Lower-chest slice from an abdominal CT, just above the liver and spleen — Axial slice 194/291 — W/L 400/40 HU — scan has 15 labeled organs (that count is for the whole scan; organs this slice misses have no box)
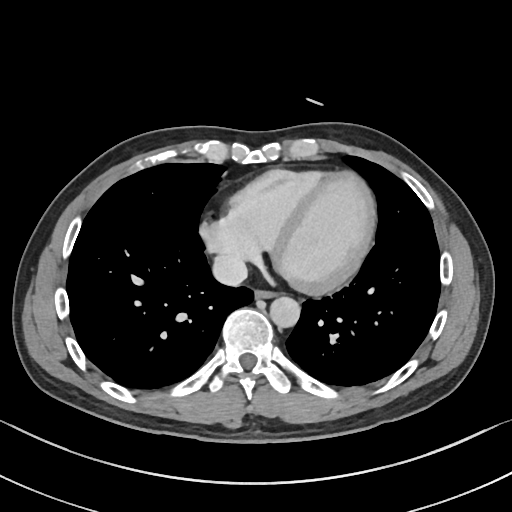
No part of the heart or lungs is labeled in this dataset, so neither has a box here.
Bounding boxes in pixels, one row per box: x1, y1 is the top-left corner and x2, y2 the bottom-right.
| organ | x1 | y1 | x2 | y2 |
|---|---|---|---|---|
| esophagus | 253 | 291 | 276 | 298 |
| aorta | 270 | 297 | 300 | 328 |
| inferior vena cava | 213 | 254 | 247 | 285 |